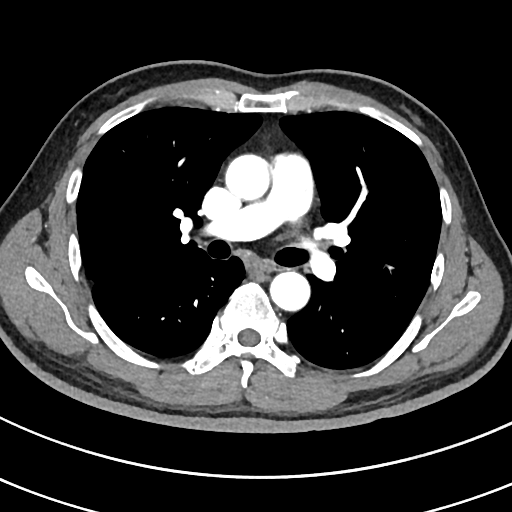 CT of the abdomen extending into the chest, slice through the chest; axial plane, index 238; W/L 400/40 HU; 512x512 px
On a slice this high in the chest, this dataset labels only the esophagus and the aorta, and each is boxed only where it is labeled; the heart, lungs and other chest structures are not labeled. Coordinates as <box>x1,y1,x2,y2</box> in pixels. 2 labeled organs on this slice — esophagus at <box>249,259,272,274</box>; aorta at <box>225,154,269,200</box>; aorta at <box>270,271,310,310</box>.